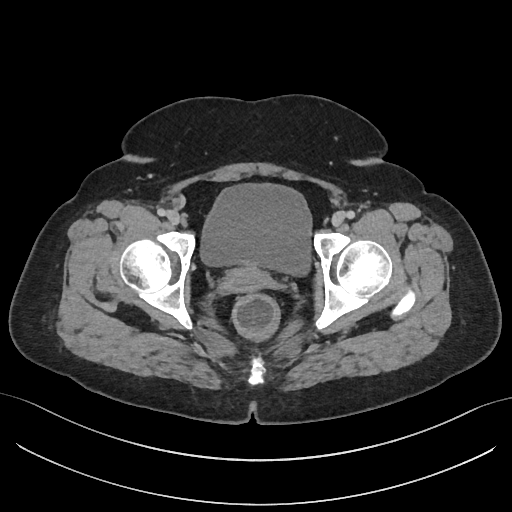

Abdominal CT. axial plane, index 33. soft-tissue window
Boxes: x1 y1 x2 y2 (pixel coords, space-separated). The annotated organs in this slice are: bladder at 200 183 311 275, prostate/uterus at 222 266 268 292.